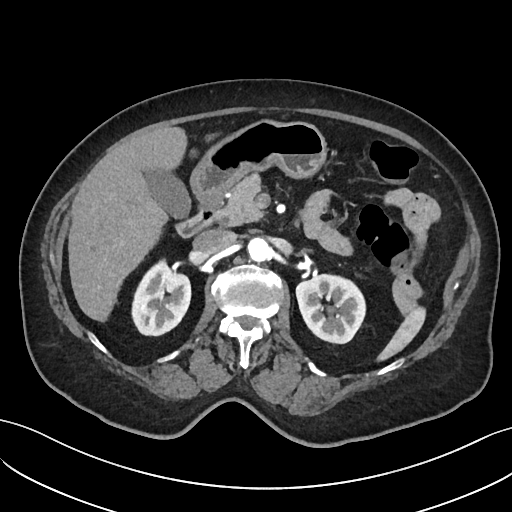

CT abdomen; Axial slice 132/276; abdomen soft-tissue window; 15 organs annotated in this scan (a whole-scan count: organs this slice does not pass through have no box)
Each box given as x1,y1,x2,y2. Labeled organs on this slice: liver at x1=68, y1=126, x2=186, y2=321, right kidney at x1=131, y1=259, x2=190, y2=335, aorta at x1=247, y1=237, x2=271, y2=261, stomach at x1=190, y1=119, x2=326, y2=199, left kidney at x1=296, y1=274, x2=365, y2=343, duodenum at x1=176, y1=195, x2=222, y2=237, spleen at x1=377, y1=306, x2=425, y2=360, pancreas at x1=218, y1=174, x2=263, y2=226, gall bladder at x1=145, y1=170, x2=190, y2=218, inferior vena cava at x1=193, y1=229, x2=235, y2=256.